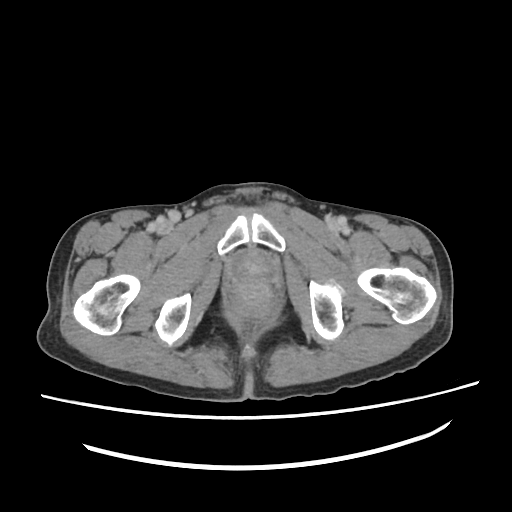
Abdominal CT. Axial slice 9/84. abdomen soft-tissue window
{"organs":{"prostate/uterus":[238,256,265,276]}}